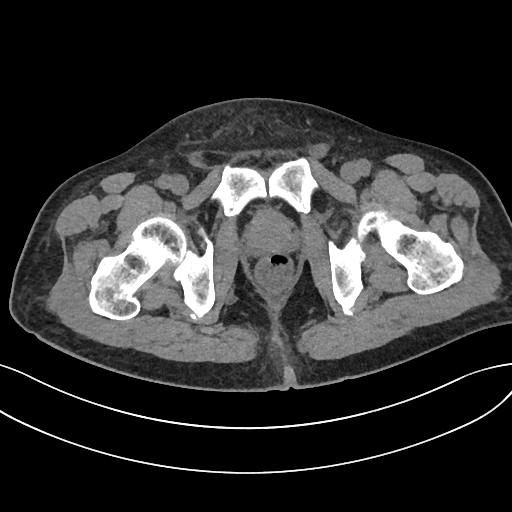

Computed tomography, abdomen · Axial slice 14/213
Each box given as x1,y1,x2,y2.
Organ bounding boxes:
- prostate/uterus: x1=247, y1=212, x2=293, y2=253